CT of the abdomen extending into the chest, slice through the chest. axial plane, index 298. soft-tissue window, W/L 400/40
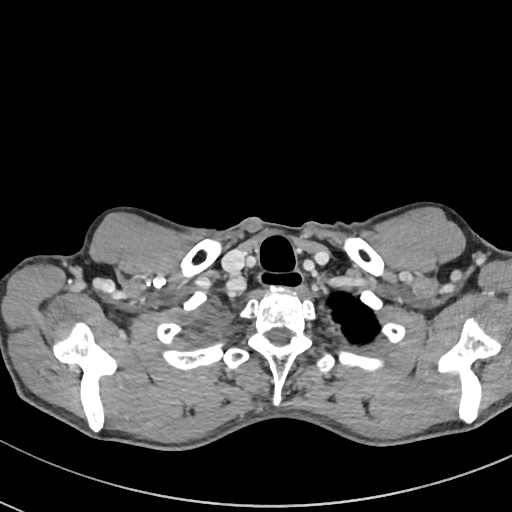 At this level of the chest no structure but the esophagus and the aorta has a label in this dataset, and those two are boxed only where they are labeled.
{"organs":{"esophagus":[257,270,304,290]}}